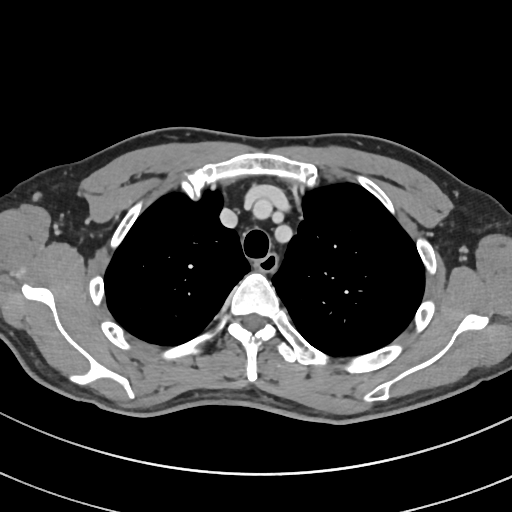

Chest-level slice from an abdominal CT that extends up into the chest — Axial slice 260/298 — soft-tissue window (W 400 / L 40)
At this level of the chest no structure but the esophagus and the aorta has a label in this dataset, and those two are boxed only where they are labeled.
Box edges are left/top/right/bottom in pixels.
esophagus: left=257, top=254, right=278, bottom=271